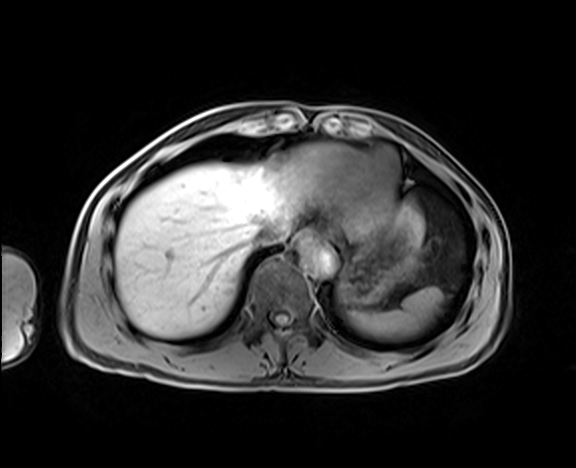

Abdominal MRI. axial view
{"organs":{"liver":[115,163,425,337],"aorta":[301,245,333,273],"inferior vena cava":[251,221,286,245],"esophagus":[291,230,316,248],"stomach":[338,224,419,305],"spleen":[349,287,441,338]}}